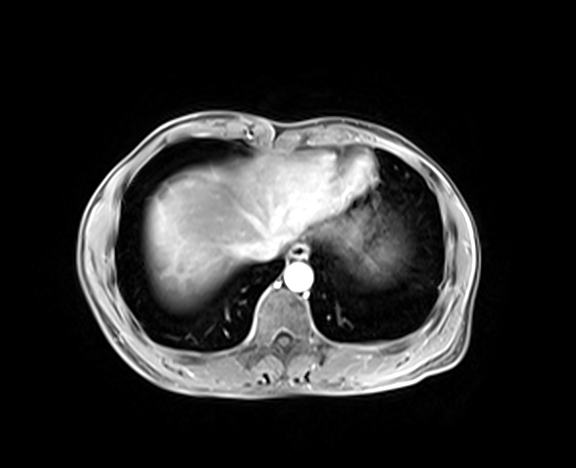
MRI, abdomen. axial plane, index 64. percentile-normalized
Organ boxes in pixel coordinates; each row gives the top-left (x1, y1) and bottom-right (x2, y2) corners.
| organ | x1 | y1 | x2 | y2 |
|---|---|---|---|---|
| esophagus | 287 | 245 | 308 | 259 |
| liver | 146 | 157 | 354 | 306 |
| stomach | 345 | 224 | 358 | 244 |
| aorta | 284 | 263 | 312 | 291 |
| inferior vena cava | 248 | 236 | 281 | 261 |